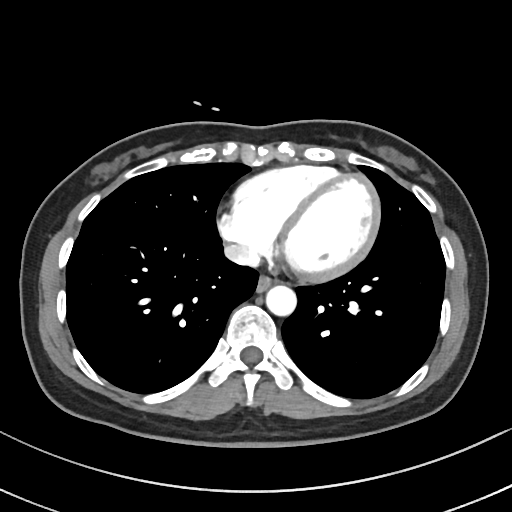
Lower-chest slice from an abdominal CT, just above the liver and spleen; axial view; 512x512 px; acquired on SOMATOM Force
No part of the heart or lungs is labeled in this dataset, so neither has a box here.
One row per box, in pixels: columns x1 and y1 give the top-left corner, x2 and y2 the bottom-right.
| organ | x1 | y1 | x2 | y2 |
|---|---|---|---|---|
| aorta | 266 | 286 | 296 | 316 |
| esophagus | 256 | 276 | 274 | 292 |
| inferior vena cava | 225 | 244 | 259 | 266 |